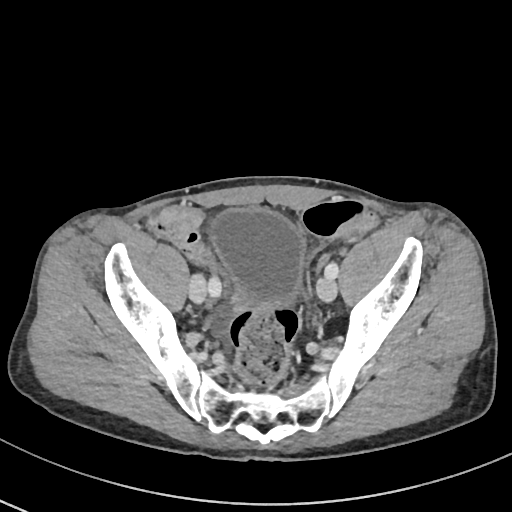

CT abdomen — axial view
Bounding boxes as [x1, y1, x2, y2] in pixel coordinates. The annotated organs in this slice are: bladder at [211, 209, 302, 308].